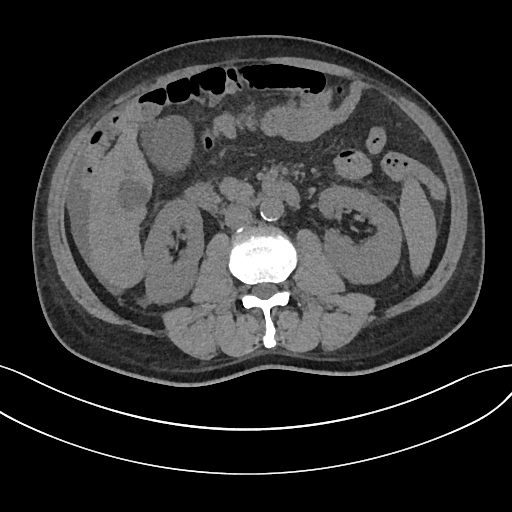
Abdominal CT. axial view. acquired on SOMATOM Force
Box edges are left/top/right/bottom in pixels.
Organ bounding boxes:
- inferior vena cava: left=223, top=204, right=252, bottom=228
- duodenum: left=185, top=182, right=299, bottom=211
- right kidney: left=143, top=199, right=203, bottom=303
- spleen: left=399, top=178, right=436, bottom=275
- aorta: left=260, top=197, right=283, bottom=221
- liver: left=87, top=124, right=153, bottom=288
- gall bladder: left=143, top=116, right=193, bottom=170
- left kidney: left=318, top=186, right=401, bottom=283
- pancreas: left=219, top=178, right=252, bottom=200